Abdominal CT reaching into the chest; this slice is in the chest. axial view. soft-tissue window, W/L 400/40. 768x768 px
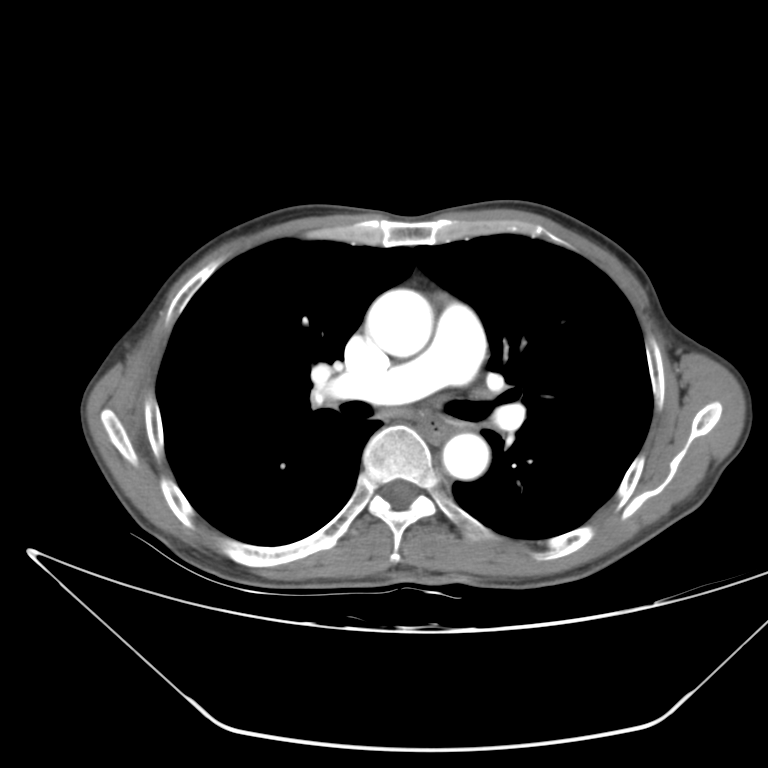 At this level of the chest no structure but the esophagus and the aorta has a label in this dataset, and those two are boxed only where they are labeled. Coordinates as <box>x1,y1,x2,y2</box> in pixels. 2 labeled organs on this slice — esophagus at <box>422,415,457,443</box>; aorta at <box>366,288,433,357</box>; aorta at <box>442,433,489,479</box>.